CT abdomen; axial plane, index 151; 512x512 px
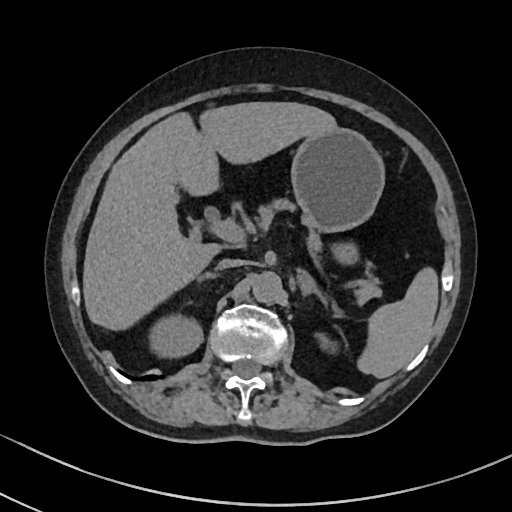
{"organs":{"spleen":[359,269,438,378],"left adrenal gland":[298,271,327,301],"pancreas":[258,198,381,302],"liver":[82,101,336,328],"aorta":[253,271,283,303],"inferior vena cava":[215,260,241,271],"right kidney":[149,317,203,358],"stomach":[291,127,384,261],"right adrenal gland":[197,270,215,280],"left kidney":[316,330,329,346],"gall bladder":[174,174,185,200]}}